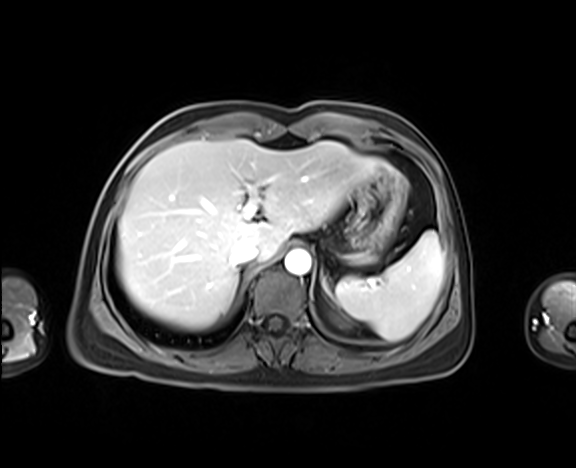

Magnetic resonance imaging, abdomen — axial view — percentile-normalized — Prisma scanner — 13 organs annotated in this scan (that count is for the whole scan; organs this slice misses have no box)
{"organs":{"spleen":[335,231,443,340],"liver":[116,140,391,329],"stomach":[348,169,406,255],"aorta":[285,249,310,274],"inferior vena cava":[231,243,258,266],"left adrenal gland":[320,267,328,293]}}